Abdominal CT; axial view; 512x512 px
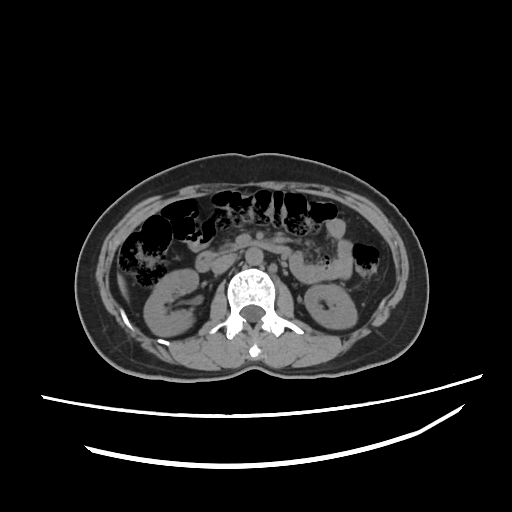 One row per box, in pixels: columns x1 and y1 give the top-left corner, x2 and y2 the bottom-right.
| organ | x1 | y1 | x2 | y2 |
|---|---|---|---|---|
| right kidney | 144 | 269 | 197 | 336 |
| left kidney | 305 | 284 | 357 | 328 |
| liver | 117 | 275 | 127 | 297 |
| aorta | 245 | 248 | 261 | 264 |
| inferior vena cava | 211 | 254 | 236 | 274 |
| duodenum | 196 | 242 | 293 | 271 |